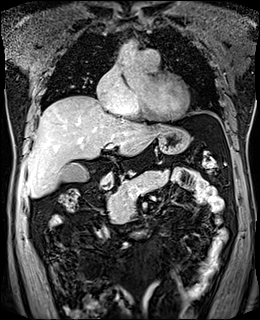 Abdominal MR · coronal acquisition · percentile-normalized · 260x320 px · Prisma scanner
Each box given as x1,y1,x2,y2. Labeled organs on this slice: gall bladder at x1=60, y1=163, x2=89, y2=182, duodenum at x1=101, y1=181, x2=144, y2=237, pancreas at x1=107, y1=170, x2=168, y2=223, stomach at x1=100, y1=126, x2=190, y2=185, aorta at x1=120, y1=42, x2=139, y2=48, liver at x1=26, y1=95, x2=167, y2=197.